Abdominal CT; this slice is in the lower chest, just above the liver — axial view
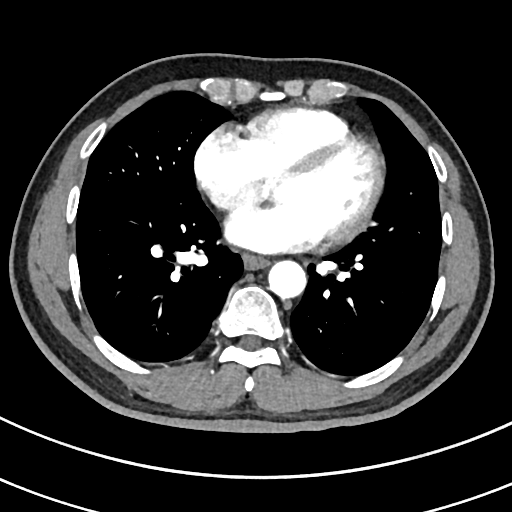

Of the structures in the chest, this dataset labels only the esophagus, the aorta and the inferior vena cava; the heart and lungs have no label.
Boxes: x1 y1 x2 y2 (pixel coords, space-separated).
esophagus: 243 253 269 269
aorta: 267 260 305 297